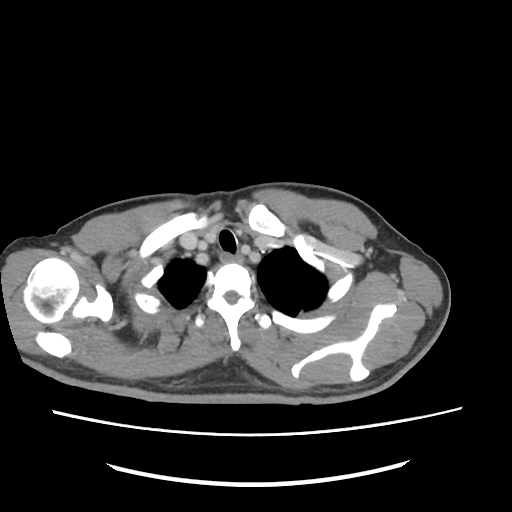 CT of the abdomen extending into the chest, slice through the chest. axial view. soft-tissue window (W 400 / L 40). 512x512 px. Aquilion ONE scanner
At this level of the chest this dataset labels only the esophagus and the aorta, and each is boxed only where it is labeled; the heart and lungs are never labeled.
Bounding boxes as [x1, y1, x2, y2] in pixel coordinates.
Organ bounding boxes:
- esophagus: [220, 253, 245, 262]